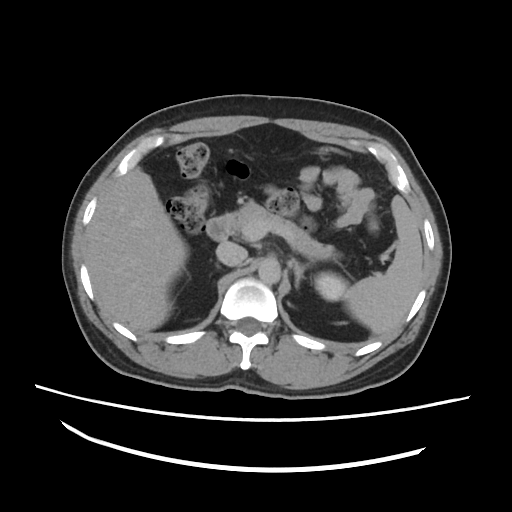

Computed tomography, abdomen — axial view — 44-year-old male patient
Each box given as x1,y1,x2,y2.
spleen: x1=341, y1=196, x2=422, y2=337
left kidney: x1=312, y1=271, x2=348, y2=300
liver: x1=86, y1=165, x2=187, y2=333
aorta: x1=257, y1=257, x2=281, y2=283
inferior vena cava: x1=216, y1=242, x2=248, y2=266
pancreas: x1=230, y1=200, x2=338, y2=261
right adrenal gland: x1=214, y1=263, x2=221, y2=268
left adrenal gland: x1=289, y1=257, x2=304, y2=289
duodenum: x1=206, y1=211, x2=233, y2=238